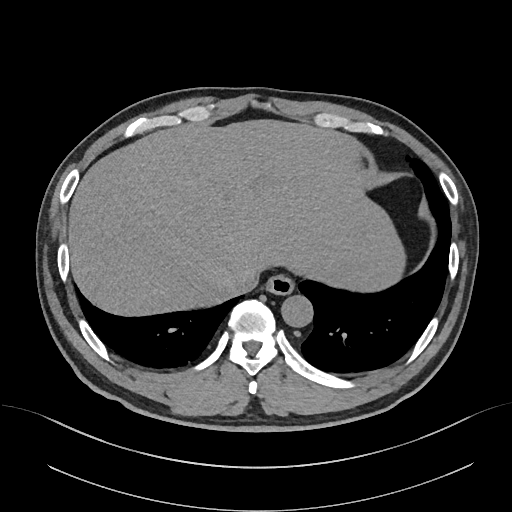

Computed tomography, abdomen — Axial slice 228/265 — abdomen soft-tissue window — scan has 15 labeled organs (counted over the whole 3D scan, not this slice; an organ is boxed only where this slice passes through it)
{"organs":{"esophagus":[266,275,294,295],"liver":[68,120,406,314],"aorta":[281,295,313,327],"inferior vena cava":[229,268,260,294]}}